CT, abdomen/pelvis — axial view
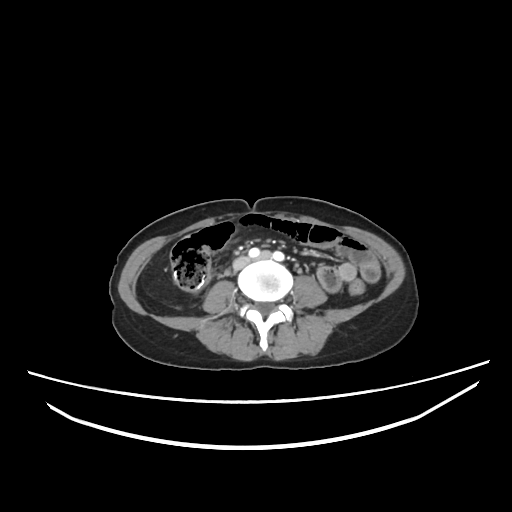 Coordinates as <box>x1,y1,x2,y2</box> in pixels.
inferior vena cava: <box>234,258,248,269</box>